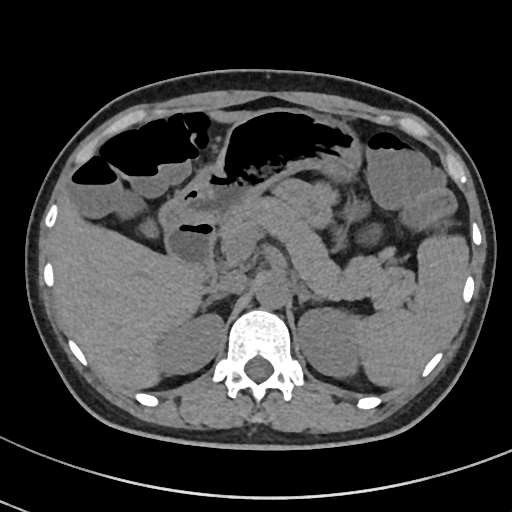
Computed tomography, abdomen · axial view · soft-tissue window · 512x512 px · SOMATOM Force scanner
Boxes: x1:y1:x2:y2 in pixels.
Organ bounding boxes:
- left adrenal gland: 296:284:322:306
- liver: 52:110:252:389
- duodenum: 165:221:215:282
- spleen: 356:234:468:386
- right kidney: 156:314:223:374
- gall bladder: 139:218:157:237
- left kidney: 298:308:360:377
- inferior vena cava: 209:274:247:293
- stomach: 159:108:362:229
- pancreas: 218:197:414:310
- right adrenal gland: 201:294:225:310
- aorta: 255:277:288:309